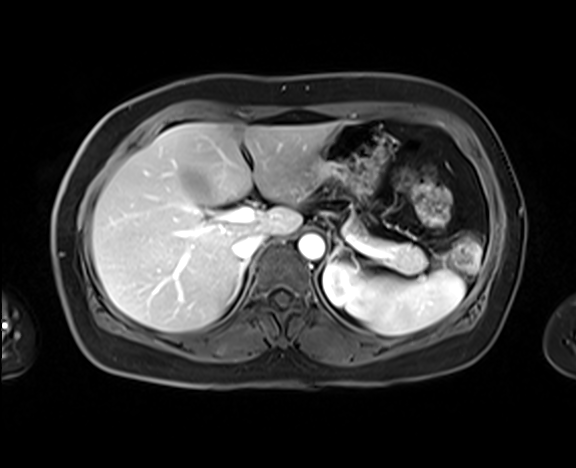 MRI, abdomen · axial view · percentile-normalized
Bounding boxes in pixels, one row per box: x1, y1 is the top-left corner and x2, y2 the bottom-right.
| organ | x1 | y1 | x2 | y2 |
|---|---|---|---|---|
| spleen | 363 | 271 | 465 | 335 |
| left kidney | 323 | 263 | 376 | 319 |
| liver | 92 | 123 | 338 | 331 |
| stomach | 310 | 121 | 385 | 196 |
| aorta | 298 | 233 | 324 | 260 |
| inferior vena cava | 233 | 233 | 266 | 260 |
| pancreas | 350 | 218 | 427 | 273 |
| right adrenal gland | 233 | 261 | 247 | 297 |
| left adrenal gland | 329 | 241 | 347 | 260 |